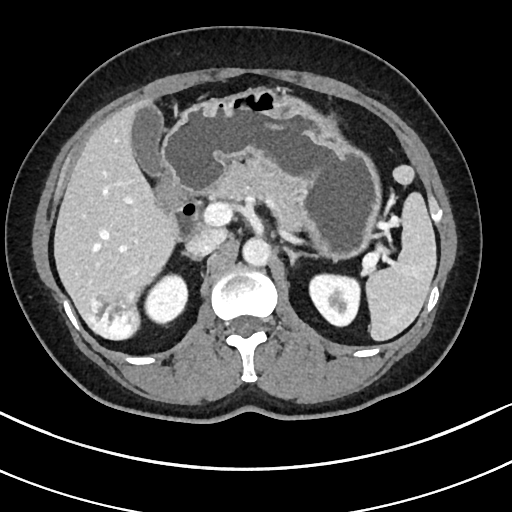

Computed tomography, abdomen; axial plane, index 152; abdomen soft-tissue window
Boxes are (x1, y1, x2, y2) in pixels. Labeled organs on this slice: stomach at (161, 88, 380, 259), left kidney at (308, 274, 361, 327), duodenum at (152, 171, 203, 242), inferior vena cava at (186, 227, 227, 257), left adrenal gland at (283, 244, 320, 262), spleen at (366, 191, 435, 340), aorta at (242, 236, 270, 265), pancreas at (205, 161, 303, 229), gall bladder at (131, 106, 162, 173), right kidney at (143, 275, 188, 324), right adrenal gland at (185, 253, 197, 261), liver at (54, 97, 175, 338).